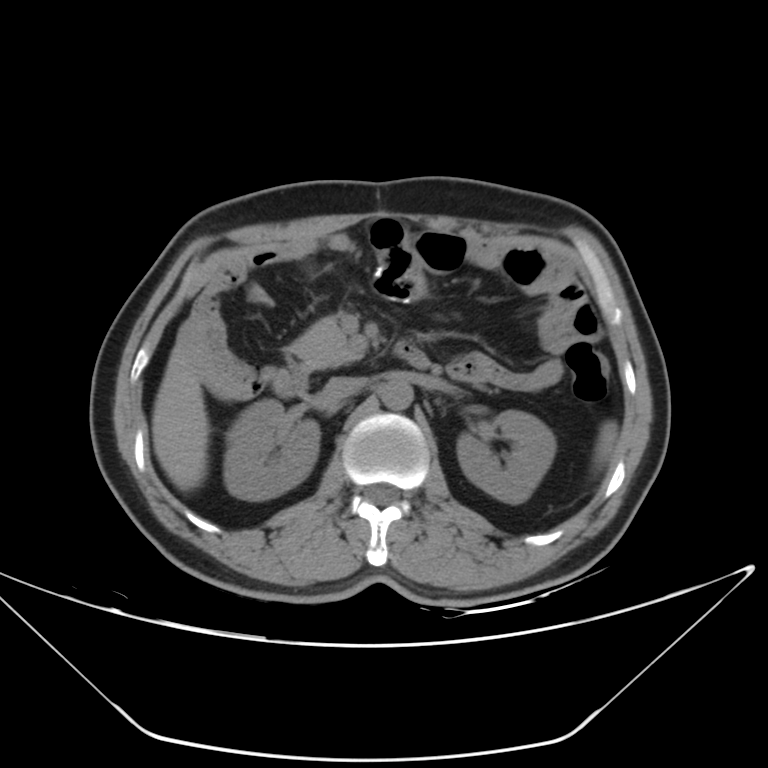
Computed tomography, abdomen · axial view · soft-tissue window · 15 organs annotated in this scan (a whole-scan count: organs this slice does not pass through have no box)
One row per box, in pixels: columns x1 and y1 give the top-left corner, x2 and y2 the bottom-right.
| organ | x1 | y1 | x2 | y2 |
|---|---|---|---|---|
| spleen | 594 | 421 | 617 | 468 |
| right kidney | 223 | 399 | 320 | 500 |
| left kidney | 457 | 410 | 555 | 503 |
| liver | 151 | 346 | 209 | 490 |
| aorta | 381 | 379 | 413 | 410 |
| inferior vena cava | 324 | 377 | 365 | 399 |
| pancreas | 289 | 318 | 361 | 370 |
| duodenum | 273 | 341 | 431 | 397 |